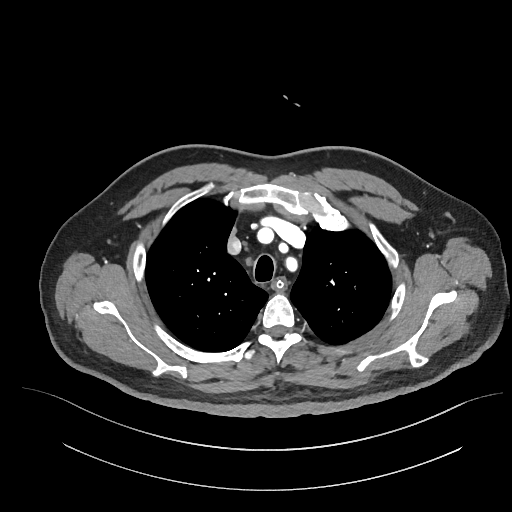

CT of the abdomen extending into the chest, slice through the chest; axial view
At this level of the chest this dataset labels only the esophagus and the aorta, and each is boxed only where it is labeled; the heart and lungs are never labeled.
Boxes: x1:y1:x2:y2 in pixels.
esophagus: 273:278:285:290